Computed tomography, abdomen. Axial slice 60/123. soft-tissue window (W 400 / L 40). 45-year-old female patient
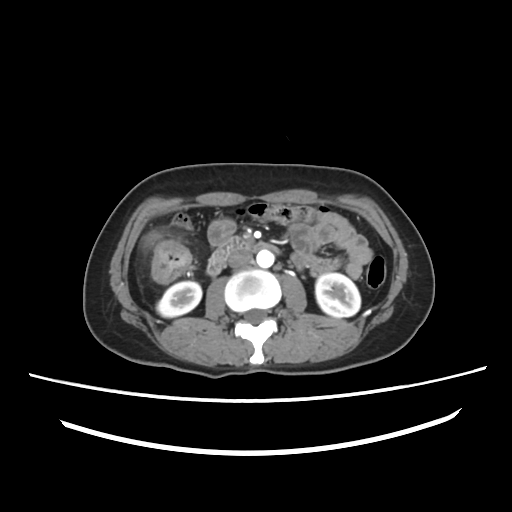

Each box given as x1,y1,x2,y2. Labeled organs on this slice: right kidney at x1=157, y1=281, x2=201, y2=317, left kidney at x1=315, y1=273, x2=360, y2=317, aorta at x1=256, y1=250, x2=274, y2=267, inferior vena cava at x1=227, y1=251, x2=253, y2=268, duodenum at x1=207, y1=237, x2=271, y2=275.